CT, abdomen/pelvis; axial view; W/L 400/40 HU; scan has 14 labeled organs (that count is for the whole scan; organs this slice misses have no box)
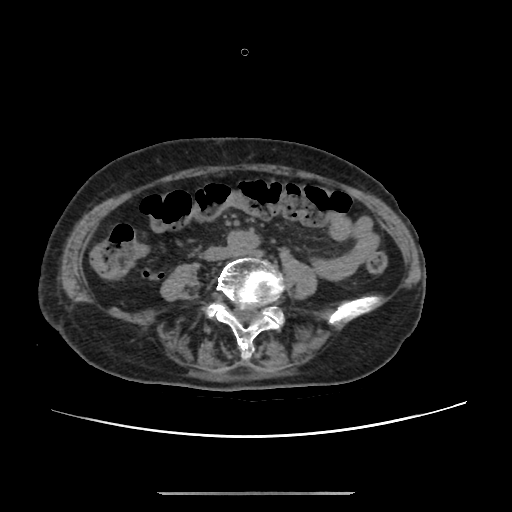
Bounding boxes in pixels, one row per box: x1, y1 is the top-left corner and x2, y2 the bottom-right.
| organ | x1 | y1 | x2 | y2 |
|---|---|---|---|---|
| inferior vena cava | 204 | 247 | 229 | 260 |
| aorta | 227 | 231 | 258 | 251 |